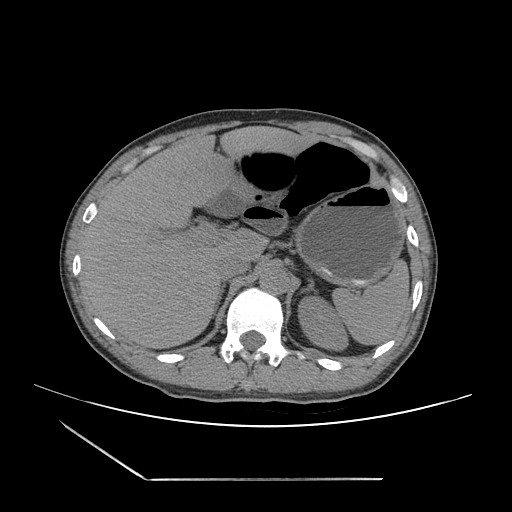
Abdominal CT. axial view
Boxes are (x1, y1, x2, y2) in pixels.
Organ bounding boxes:
- aorta: (259, 267, 289, 294)
- right adrenal gland: (214, 285, 224, 312)
- liver: (81, 126, 317, 348)
- left kidney: (298, 296, 348, 350)
- stomach: (295, 183, 404, 287)
- duodenum: (243, 207, 287, 234)
- inferior vena cava: (215, 255, 248, 280)
- left adrenal gland: (300, 279, 317, 293)
- spleen: (332, 259, 409, 344)
- gall bladder: (204, 191, 246, 217)